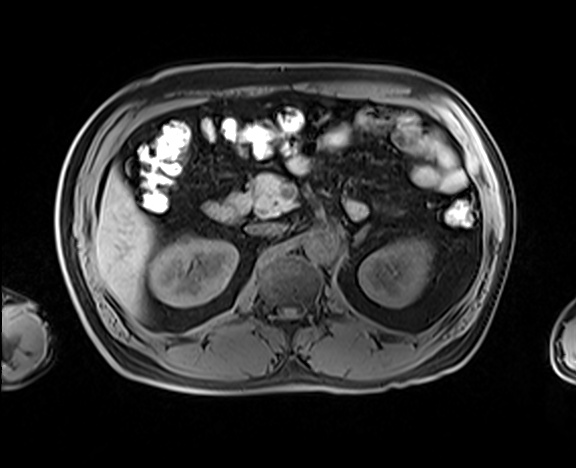
Magnetic resonance imaging, abdomen — axial plane, index 29 — Prisma scanner
Coordinates as <box>x1,y1,x2,y2</box> in pixels.
right kidney: <box>150,236,238,307</box>
left kidney: <box>358,238,431,307</box>
liver: <box>93,168,155,315</box>
aorta: <box>303,230,338,261</box>
inferior vena cava: <box>248,223,285,235</box>
pancreas: <box>230,173,295,215</box>
left adrenal gland: <box>356,224,370,242</box>
duodenum: <box>206,202,241,222</box>